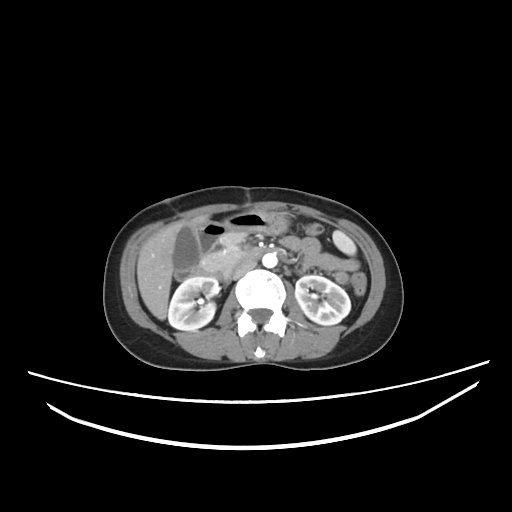 Computed tomography, abdomen — axial view — 512x512 px — 43-year-old female patient
Each box given as x1,y1,x2,y2. The annotated organs in this slice are: spleen at x1=333, y1=231, x2=356, y2=255, right kidney at x1=168, y1=276, x2=219, y2=330, left kidney at x1=295, y1=275, x2=350, y2=325, gall bladder at x1=173, y1=226, x2=199, y2=270, liver at x1=137, y1=214, x2=209, y2=320, stomach at x1=220, y1=211, x2=289, y2=240, aorta at x1=262, y1=253, x2=277, y2=268, inferior vena cava at x1=232, y1=260, x2=256, y2=278, pancreas at x1=200, y1=231, x2=247, y2=271, duodenum at x1=174, y1=221, x2=263, y2=280.